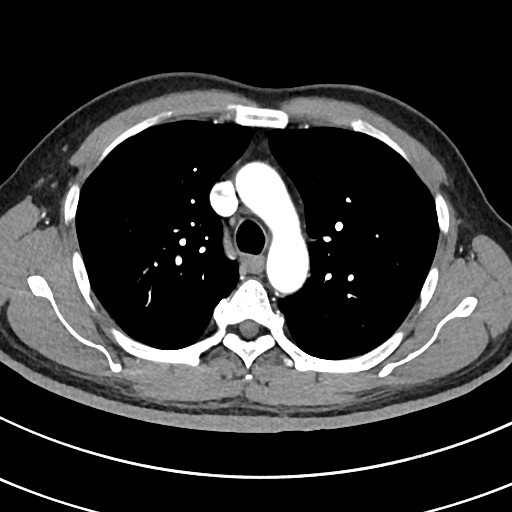

CT of the abdomen extending into the chest, slice through the chest. axial view. soft-tissue window. 512x512 px. 15 organs annotated in this scan (a whole-scan count: organs this slice does not pass through have no box)
At this level of the chest this dataset labels only the esophagus and the aorta, and each is boxed only where it is labeled; the heart and lungs are never labeled.
<organs><organ name="aorta" x1="235" y1="162" x2="309" y2="293"/><organ name="esophagus" x1="245" y1="256" x2="261" y2="270"/></organs>